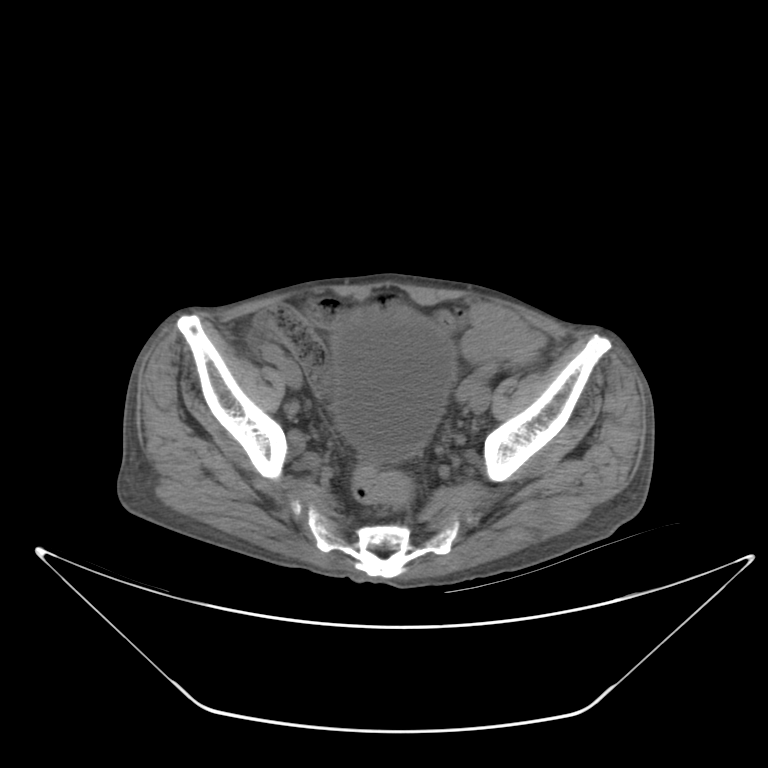

CT abdomen; axial view; 68-year-old male patient; 13 organs annotated in this scan (that count is for the whole scan; organs this slice misses have no box)
<organs><organ name="bladder" x1="333" y1="313" x2="453" y2="459"/></organs>